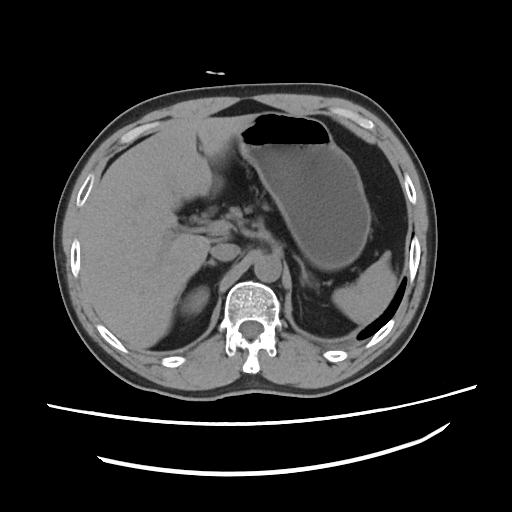
Computed tomography, abdomen · axial view · abdomen soft-tissue window · 45-year-old male patient · scan has 15 labeled organs (counted over the whole 3D scan, not this slice; an organ is boxed only where this slice passes through it)
Boxes: x1 y1 x2 y2 (pixel coords, space-separated).
left adrenal gland: 293 255 307 283
pancreas: 223 206 265 218
inferior vena cava: 209 242 240 260
liver: 80 113 256 350
aorta: 255 254 281 283
stomach: 237 112 371 269
spleen: 331 252 398 325
right kidney: 189 289 208 311
right adrenal gland: 205 259 217 266